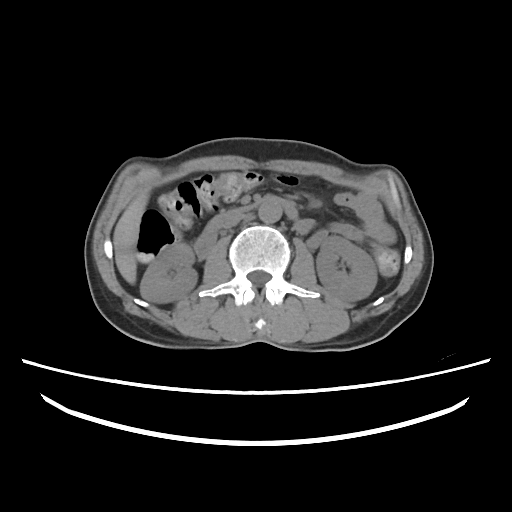
CT, abdomen/pelvis; axial view; abdomen soft-tissue window
Bounding boxes in pixels, one row per box: x1, y1 is the top-left corner and x2, y2 the bottom-right.
| organ | x1 | y1 | x2 | y2 |
|---|---|---|---|---|
| duodenum | 195 | 194 | 296 | 258 |
| aorta | 259 | 200 | 281 | 223 |
| liver | 114 | 190 | 150 | 283 |
| left kidney | 316 | 236 | 378 | 301 |
| inferior vena cava | 221 | 213 | 244 | 227 |
| right kidney | 140 | 244 | 197 | 302 |